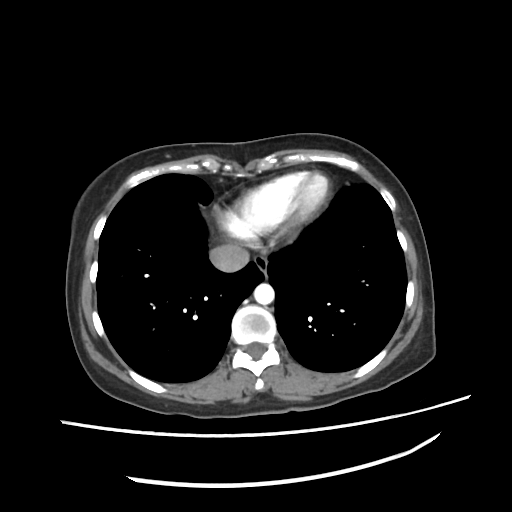
Abdominal CT; this slice is in the lower chest, just above the liver — axial view — soft-tissue window (W 400 / L 40) — 512x512 px
No part of the heart or lungs is labeled in this dataset, so neither has a box here.
{"organs":{"esophagus":[255,255,267,277],"aorta":[253,282,275,304],"inferior vena cava":[209,242,250,272]}}